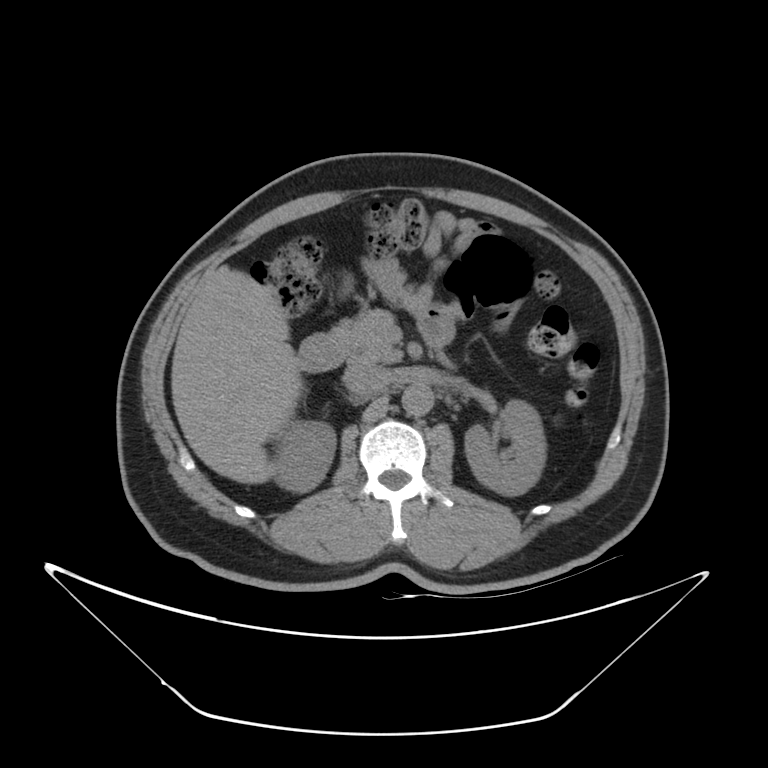

Computed tomography, abdomen · axial plane, index 61 · soft-tissue window (W 400 / L 40)
One row per box, in pixels: columns x1 and y1 give the top-left corner, x2 and y2 the bottom-right.
| organ | x1 | y1 | x2 | y2 |
|---|---|---|---|---|
| right kidney | 272 | 420 | 336 | 491 |
| left kidney | 465 | 400 | 546 | 495 |
| liver | 171 | 266 | 303 | 484 |
| aorta | 401 | 384 | 433 | 415 |
| inferior vena cava | 343 | 362 | 389 | 395 |
| pancreas | 329 | 309 | 402 | 362 |
| duodenum | 299 | 334 | 346 | 372 |